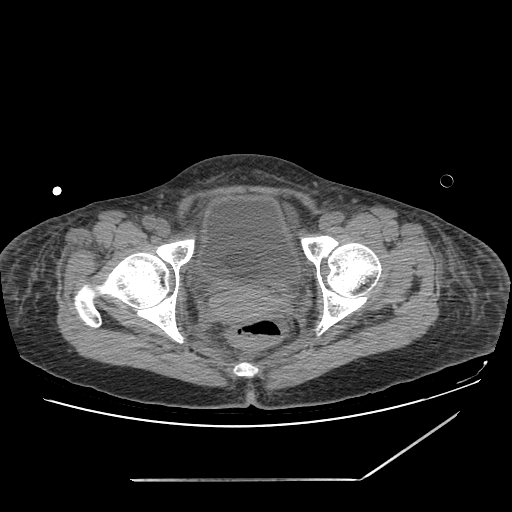
CT abdomen — axial plane, index 19 — W/L 400/40 HU
Boxes are (x1, y1, x2, y2) in pixels. Labeled organs on this slice: prostate/uterus at (214, 287, 277, 318), bladder at (196, 194, 299, 284).